Abdominal CT — axial plane, index 45 — abdomen soft-tissue window — 512x512 px — acquired on SOMATOM Force
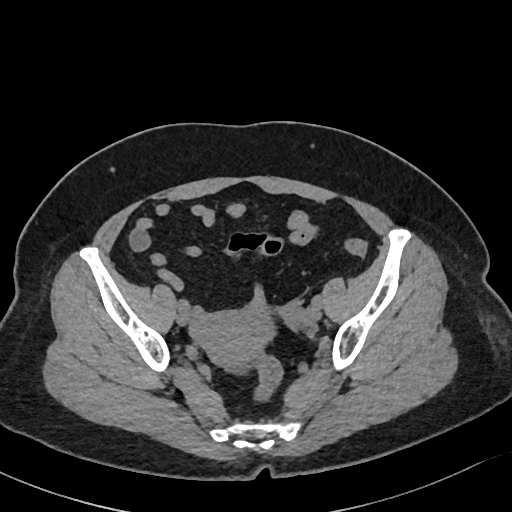
Boxes: x1:y1:x2:y2 in pixels.
Organ bounding boxes:
- prostate/uterus: 192:309:273:365